Chest-level CT slice, above the liver and spleen; axial plane, index 277; W/L 400/40 HU; 512x512 px
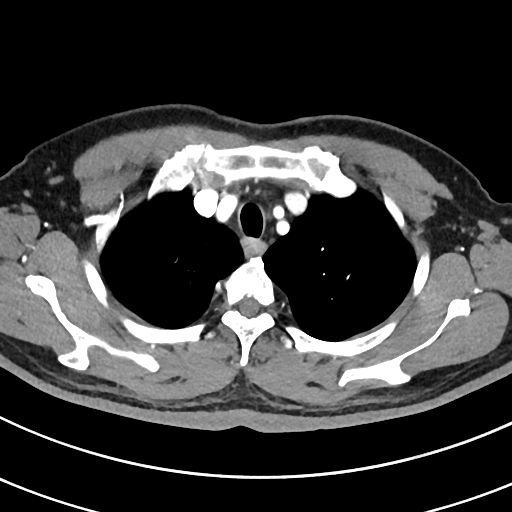 At this level of the chest this dataset labels only the esophagus and the aorta, and each is boxed only where it is labeled; the heart and lungs are never labeled.
{"organs":{"esophagus":[241,238,265,257]}}